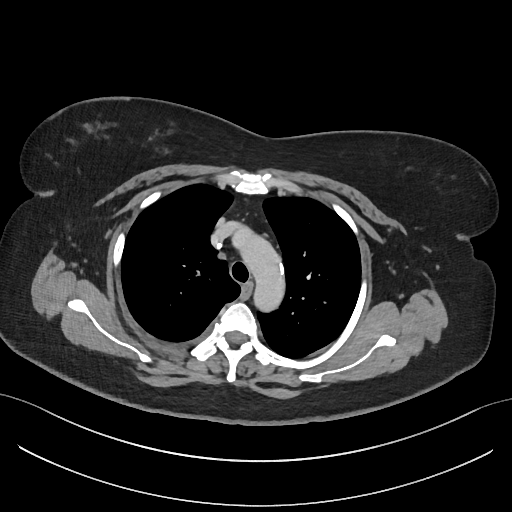

CT of the abdomen extending into the chest, slice through the chest; axial view; soft-tissue window, W/L 400/40
At this level of the chest this dataset labels only the esophagus and the aorta, and each is boxed only where it is labeled; the heart and lungs are never labeled.
{"organs":{"aorta":[232,228,285,311],"esophagus":[242,284,251,296]}}